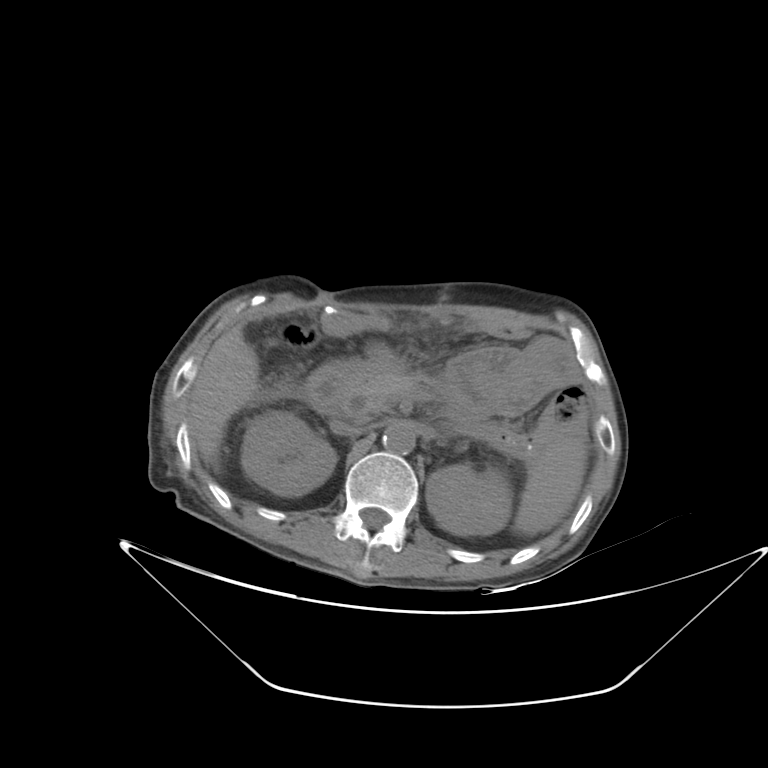

CT abdomen — Axial slice 68/99 — 56-year-old male patient — Brilliance16 scanner — scan has 14 labeled organs (counted over the whole 3D scan, not this slice; an organ is boxed only where this slice passes through it)
Organ boxes in pixel coordinates; each row gives the top-left (x1, y1) and bottom-right (x2, y2) corners.
| organ | x1 | y1 | x2 | y2 |
|---|---|---|---|---|
| right kidney | 241 | 411 | 336 | 496 |
| pancreas | 339 | 366 | 409 | 418 |
| duodenum | 303 | 360 | 359 | 414 |
| aorta | 382 | 423 | 415 | 454 |
| spleen | 513 | 442 | 585 | 535 |
| left kidney | 426 | 465 | 512 | 535 |
| liver | 189 | 326 | 258 | 463 |
| inferior vena cava | 330 | 419 | 363 | 435 |